CT, abdomen/pelvis · axial plane, index 10 · abdomen soft-tissue window · 15 organs annotated in this scan (a whole-scan count: organs this slice does not pass through have no box)
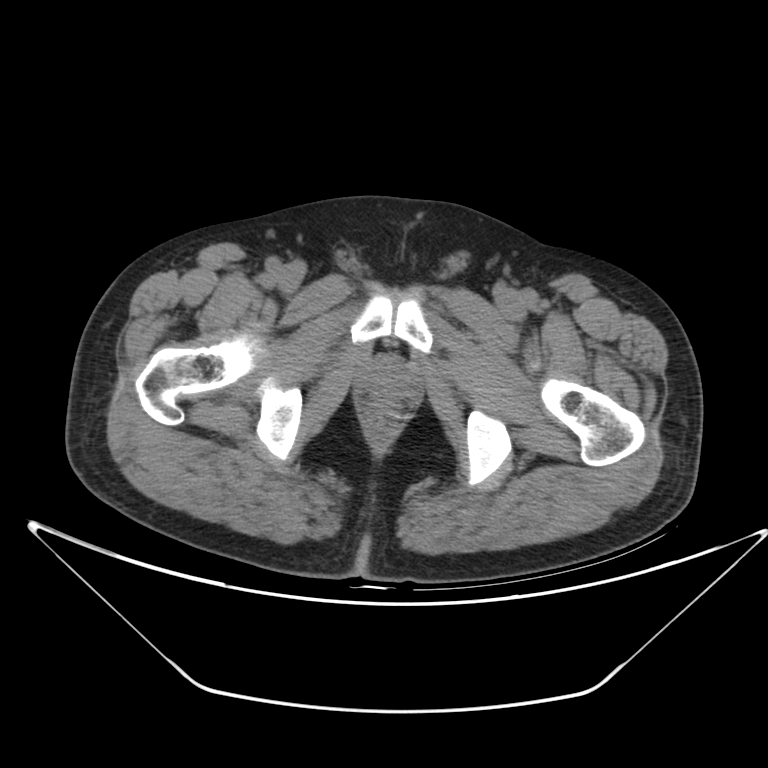 {"organs":{"prostate/uterus":[367,366,411,400]}}